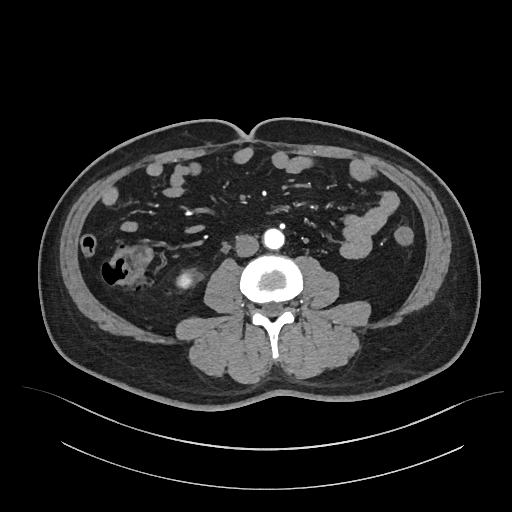
Computed tomography, abdomen — Axial slice 128/333 — acquired on SOMATOM Force — scan has 15 labeled organs (a whole-scan count: organs this slice does not pass through have no box)
{"organs":{"inferior vena cava":[235,234,258,256],"aorta":[262,228,283,249],"right kidney":[176,272,193,288]}}